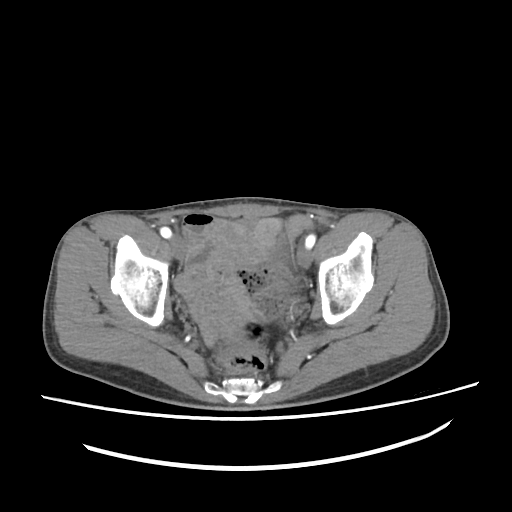
Computed tomography, abdomen; axial view; W/L 400/40 HU; 512x512 px; 50-year-old male patient
{"organs":{"bladder":[274,233,291,263]}}